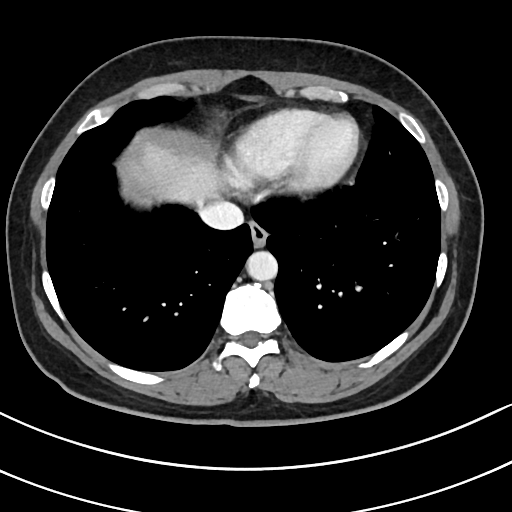 CT abdomen; axial view; W/L 400/40 HU
{"organs":{"inferior vena cava":[200,201,243,230],"esophagus":[249,222,268,247],"aorta":[246,251,278,280],"liver":[131,138,219,206]}}